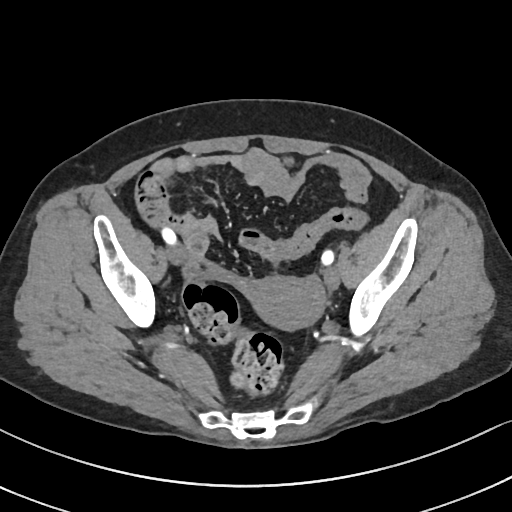
Computed tomography, abdomen — axial view — soft-tissue window (W 400 / L 40) — 512x512 px
Coordinates as <box>x1,y1,x2,y2</box> in pixels. 1 labeled organ on this slice — prostate/uterus at <box>248,276,324,330</box>.